CT of the abdomen reaching into the lower chest, slice just above the liver and spleen · Axial slice 232/333
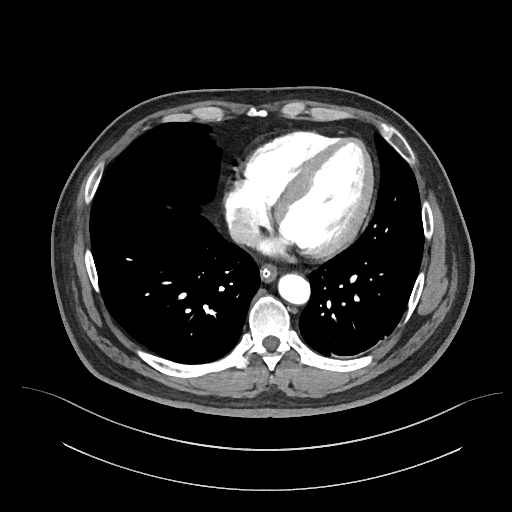

No part of the heart or lungs is labeled in this dataset, so neither has a box here.
{"organs":{"aorta":[278,274,310,304],"esophagus":[260,264,277,282],"inferior vena cava":[228,217,259,244]}}